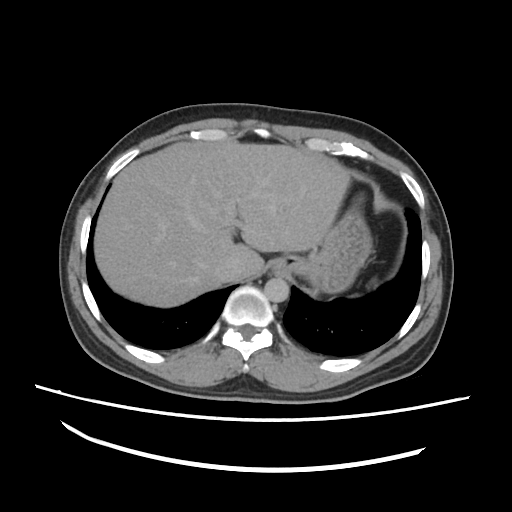

CT, abdomen/pelvis · axial view · soft-tissue window (W 400 / L 40) · 512x512 px
<organs><organ name="liver" x1="94" y1="144" x2="350" y2="308"/><organ name="stomach" x1="273" y1="196" x2="373" y2="297"/><organ name="aorta" x1="264" y1="277" x2="288" y2="302"/><organ name="inferior vena cava" x1="214" y1="256" x2="245" y2="284"/></organs>